CT, abdomen/pelvis · axial plane, index 70 · soft-tissue window (W 400 / L 40) · 45-year-old male patient · acquired on Aquilion ONE
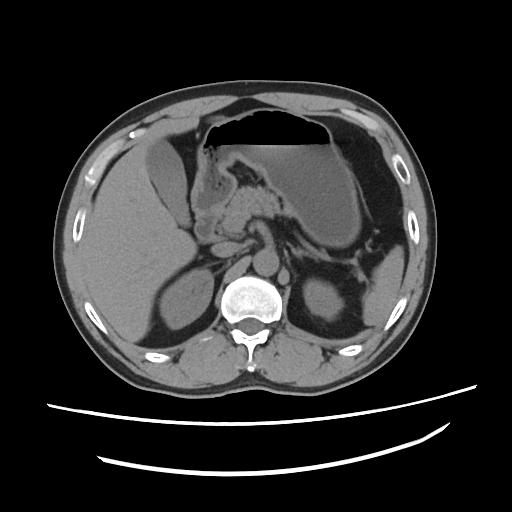
Boxes: x1 y1 x2 y2 (pixel coords, space-separated).
aorta: 253 248 279 276
left adrenal gland: 289 244 317 260
gall bladder: 147 138 188 224
right kidney: 161 270 213 329
duodenum: 194 204 218 240
pancreas: 220 186 288 220
stomach: 191 108 356 247
liver: 80 119 198 343
spleen: 362 246 403 325
left kidney: 303 282 342 318
inferior vena cava: 211 242 240 256